Computed tomography, abdomen — axial view — soft-tissue window
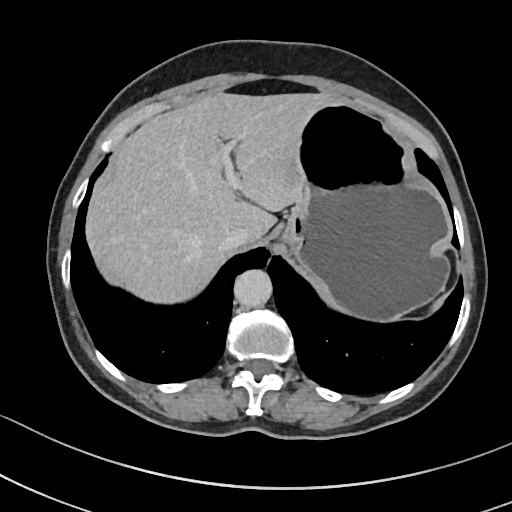
Bounding boxes in pixels, one row per box: x1, y1 is the top-left corner and x2, y2 the bottom-right.
| organ | x1 | y1 | x2 | y2 |
|---|---|---|---|---|
| aorta | 233 | 270 | 271 | 307 |
| liver | 87 | 92 | 341 | 299 |
| inferior vena cava | 218 | 232 | 249 | 250 |
| stomach | 279 | 104 | 448 | 317 |